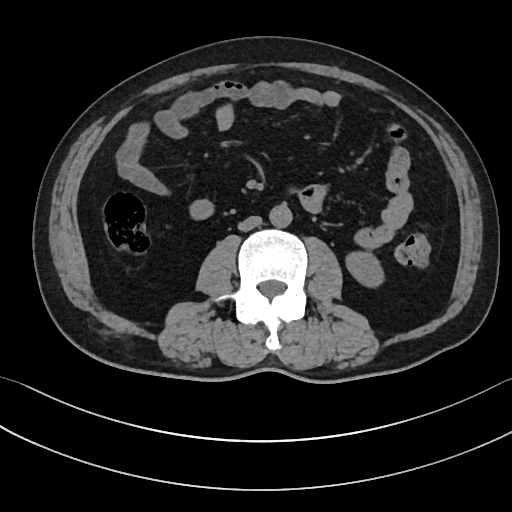
Computed tomography, abdomen; axial view; abdomen soft-tissue window; SOMATOM Force scanner
Boxes are (x1, y1, x2, y2) in pixels. The annotated organs in this slice are: inferior vena cava at (238, 216, 261, 231), left kidney at (347, 251, 382, 288), aorta at (269, 203, 292, 227).